CT, abdomen/pelvis — Axial slice 73/90 — soft-tissue window — 512x512 px — 52-year-old female patient
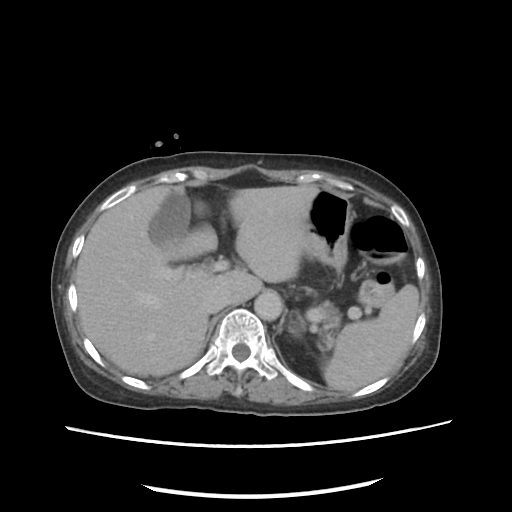
{"organs":{"spleen":[323,284,419,391],"gall bladder":[149,191,190,247],"liver":[75,185,318,375],"stomach":[303,189,352,268],"aorta":[254,291,282,320],"inferior vena cava":[205,291,228,313],"pancreas":[320,301,340,326]}}